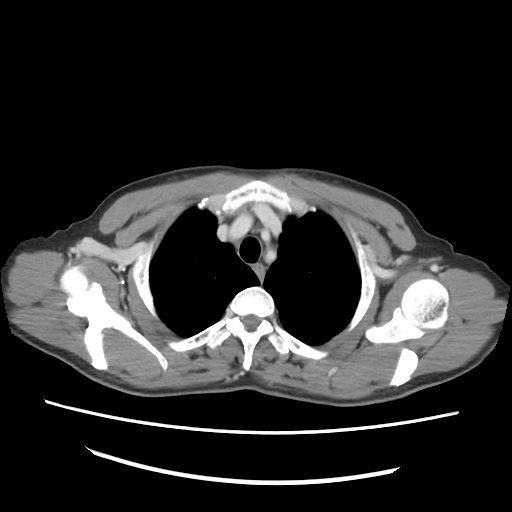

Abdominal CT reaching into the chest; this slice is in the chest; Axial slice 105/112; soft-tissue window; 512x512 px; 15 organs annotated in this scan (a whole-scan count: organs this slice does not pass through have no box)
On a slice this high in the chest, this dataset labels only the esophagus and the aorta, and each is boxed only where it is labeled; the heart, lungs and other chest structures are not labeled.
<organs><organ name="esophagus" x1="253" y1="264" x2="265" y2="282"/></organs>